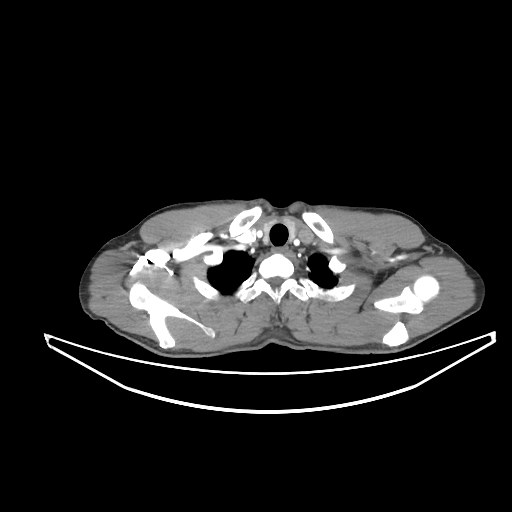

CT of the abdomen extending into the chest, slice through the chest — axial plane, index 131 — 512x512 px
At this level of the chest this dataset labels only the esophagus and the aorta, and each is boxed only where it is labeled; the heart and lungs are never labeled.
Organ boxes in pixel coordinates; each row gives the top-left (x1, y1) and bottom-right (x2, y2) corners.
| organ | x1 | y1 | x2 | y2 |
|---|---|---|---|---|
| esophagus | 272 | 246 | 287 | 251 |